Chest-level slice from an abdominal CT that extends up into the chest · Axial slice 108/118 · 512x512 px · scan has 15 labeled organs (counted over the whole 3D scan, not this slice; an organ is boxed only where this slice passes through it)
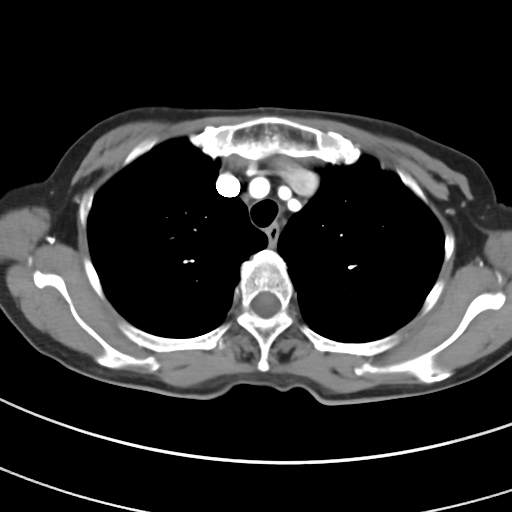 At this level of the chest no structure but the esophagus and the aorta has a label in this dataset, and those two are boxed only where they are labeled.
<organs><organ name="esophagus" x1="266" y1="224" x2="279" y2="242"/></organs>